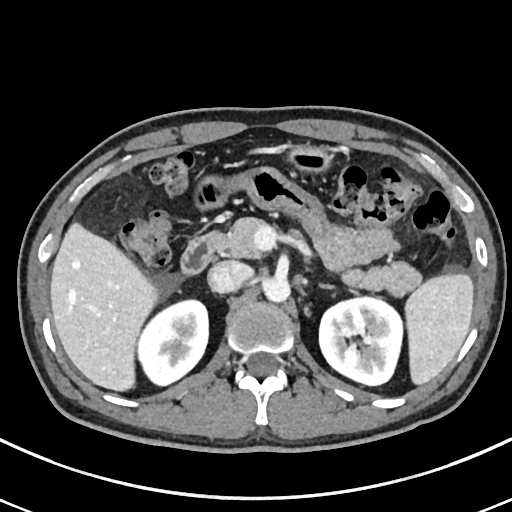
Abdominal CT; Axial slice 152/218; 15 organs annotated in this scan (a whole-scan count: organs this slice does not pass through have no box)
Boxes: x1 y1 x2 y2 (pixel coords, space-separated).
duodenum: 180 231 222 274
inferior vena cava: 208 261 251 293
spleen: 405 273 473 384
stomach: 289 144 332 174
aorta: 263 277 290 302
pancreas: 218 217 420 296
right kidney: 137 300 208 385
left kidney: 319 297 402 385
liver: 50 222 158 391
left adrenal gland: 320 284 333 289